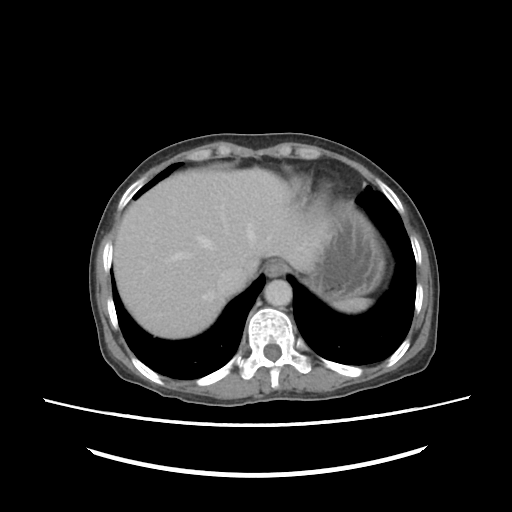
Computed tomography, abdomen · Axial slice 84/92 · soft-tissue window · 512x512 px · 60-year-old female patient
Boxes: x1:y1:x2:y2 in pixels.
spleen: 331:298:373:312
esophagus: 266:261:286:277
liver: 113:167:330:339
stomach: 306:202:384:300
aorta: 264:278:292:306
inferior vena cava: 216:267:246:295